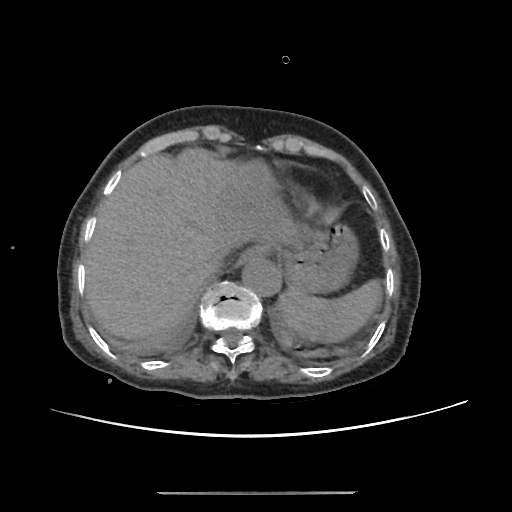

CT, abdomen/pelvis. axial view. 512x512 px
Bounding boxes in pixels, one row per box: x1, y1 is the top-left corner and x2, y2 the bottom-right.
| organ | x1 | y1 | x2 | y2 |
|---|---|---|---|---|
| esophagus | 233 | 247 | 264 | 269 |
| aorta | 242 | 258 | 281 | 297 |
| spleen | 279 | 281 | 380 | 340 |
| liver | 85 | 148 | 298 | 339 |
| stomach | 283 | 226 | 356 | 292 |
| inferior vena cava | 205 | 240 | 234 | 272 |